Chest-level slice from an abdominal CT that extends up into the chest — axial plane, index 53 — 34-year-old female patient — scan has 13 labeled organs (a whole-scan count: organs this slice does not pass through have no box)
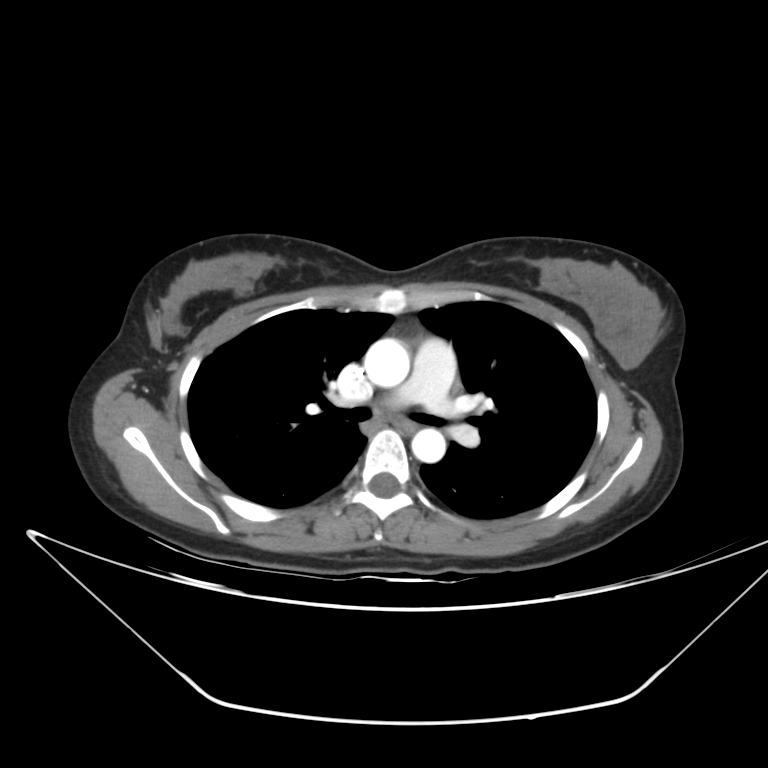

At this level of the chest no structure but the esophagus and the aorta has a label in this dataset, and those two are boxed only where they are labeled.
Box edges are left/top/right/bottom in pixels.
esophagus: left=390, top=416, right=418, bottom=434
aorta: left=364, top=337, right=410, bottom=387
aorta: left=411, top=428, right=446, bottom=463